Abdominal CT · axial view · soft-tissue window · SOMATOM Force scanner · 15 organs annotated in this scan (counted over the whole 3D scan, not this slice; an organ is boxed only where this slice passes through it)
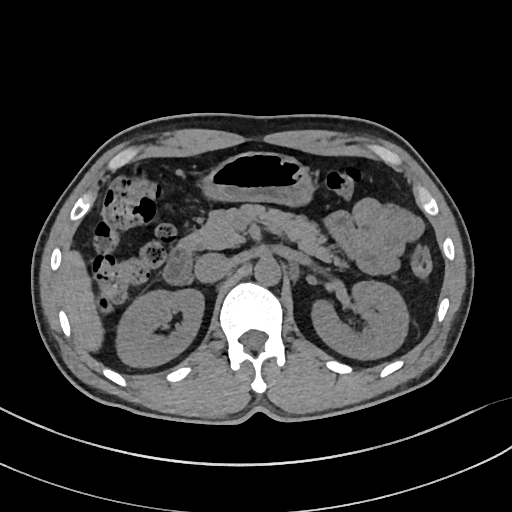

{"organs":{"right kidney":[118,289,204,366],"left kidney":[311,281,406,359],"liver":[60,248,103,353],"stomach":[203,151,312,207],"aorta":[254,258,281,287],"inferior vena cava":[194,253,233,283],"pancreas":[180,203,349,268],"duodenum":[162,245,191,285]}}